MRI, abdomen — axial view
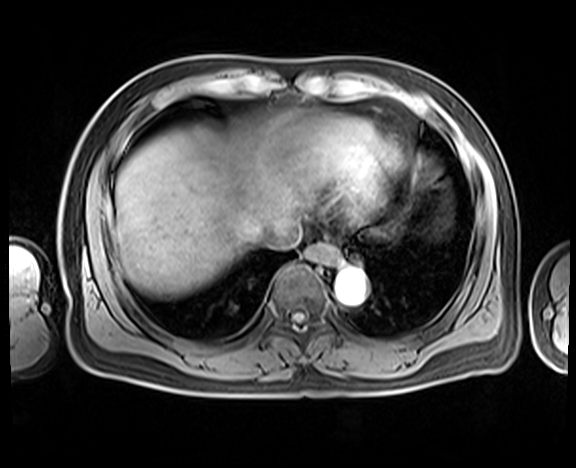 Boxes are (x1, y1, x2, y2) in pixels.
Organ bounding boxes:
- esophagus: (307, 243, 338, 264)
- liver: (115, 123, 389, 295)
- aorta: (335, 269, 365, 303)
- inferior vena cava: (259, 217, 301, 248)